CT of the abdomen extending into the chest, slice through the chest. axial view. SOMATOM Force scanner
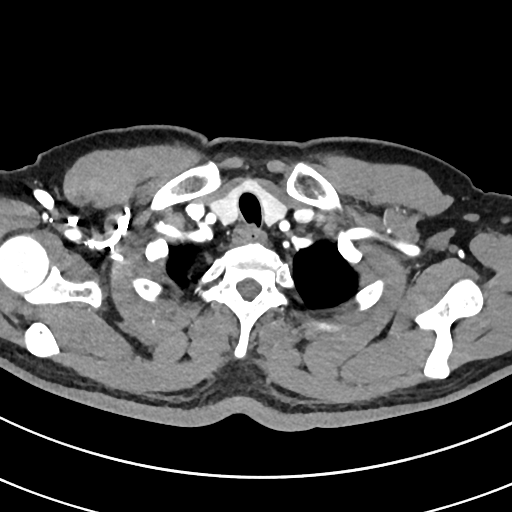
At this level of the chest this dataset labels only the esophagus and the aorta, and each is boxed only where it is labeled; the heart and lungs are never labeled.
Boxes are (x1, y1, x2, y2) in pixels.
esophagus: (233, 226, 266, 243)